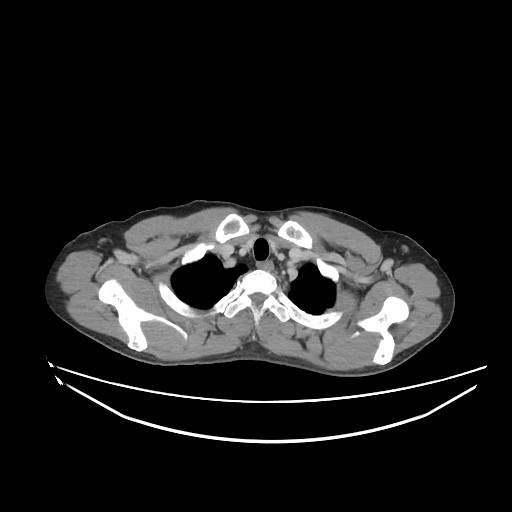

Abdominal CT reaching into the chest; this slice is in the chest. axial view. Aquilion ONE scanner. 15 organs annotated in this scan (counted over the whole 3D scan, not this slice; an organ is boxed only where this slice passes through it)
At this level of the chest no structure but the esophagus and the aorta has a label in this dataset, and those two are boxed only where they are labeled.
Each box given as x1,y1,x2,y2.
Organ bounding boxes:
- esophagus: x1=256, y1=259, x2=274, y2=270